CT, abdomen/pelvis. axial plane, index 14. abdomen soft-tissue window
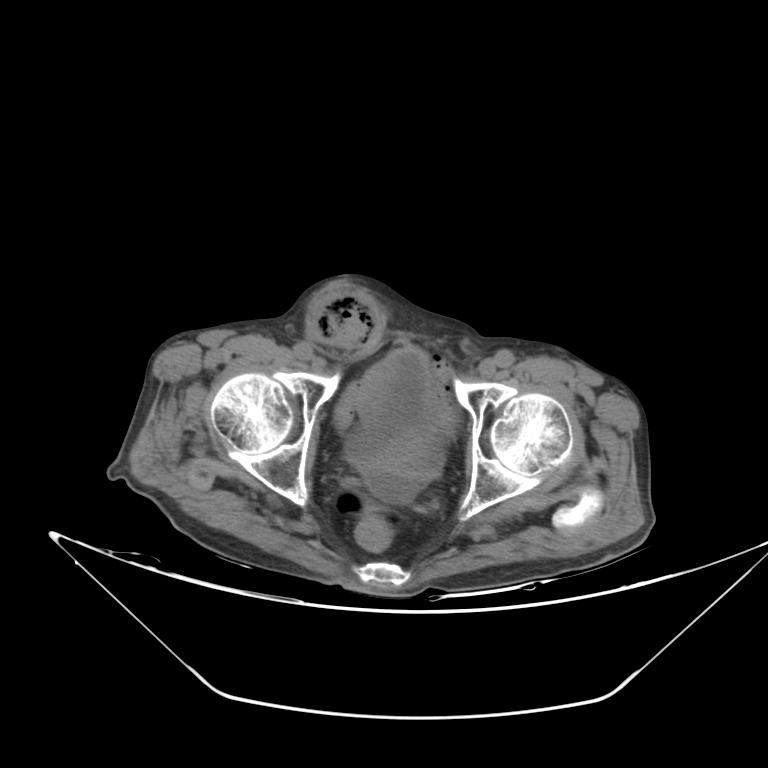
Boxes: x1 y1 x2 y2 (pixel coords, space-separated). Labeled organs on this slice: bladder at 346 348 447 474.